CT abdomen — axial view — SOMATOM Force scanner
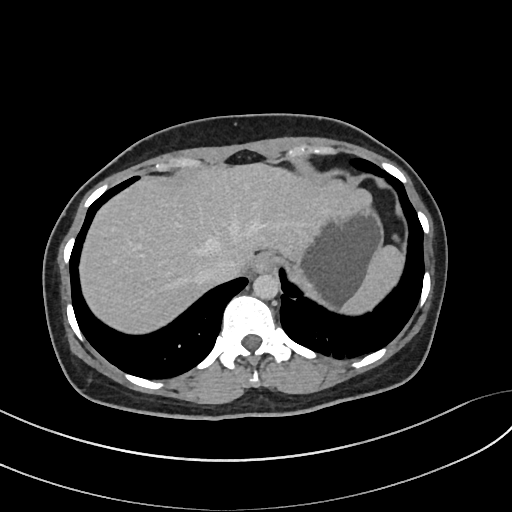

Each box given as x1,y1,x2,y2. Labeled organs on this slice: inferior vena cava at x1=203, y1=255, x2=243, y2=283, liver at x1=80, y1=163, x2=370, y2=333, spleen at x1=341, y1=245, x2=403, y2=314, esophagus at x1=253, y1=253, x2=274, y2=272, stomach at x1=290, y1=202, x2=383, y2=310, aorta at x1=253, y1=273, x2=279, y2=299.